Computed tomography, abdomen. axial view. Aquilion ONE scanner
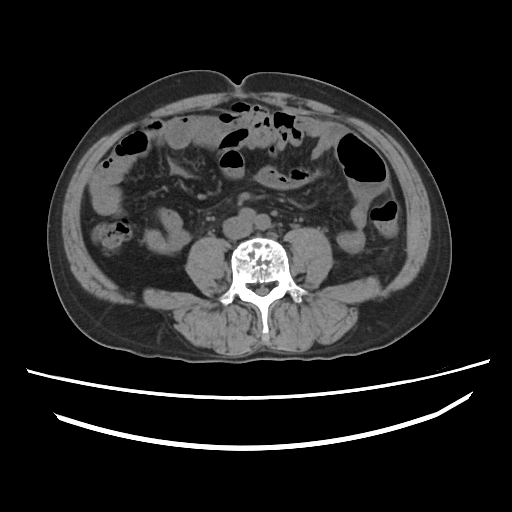 <organs><organ name="inferior vena cava" x1="223" y1="217" x2="251" y2="239"/></organs>